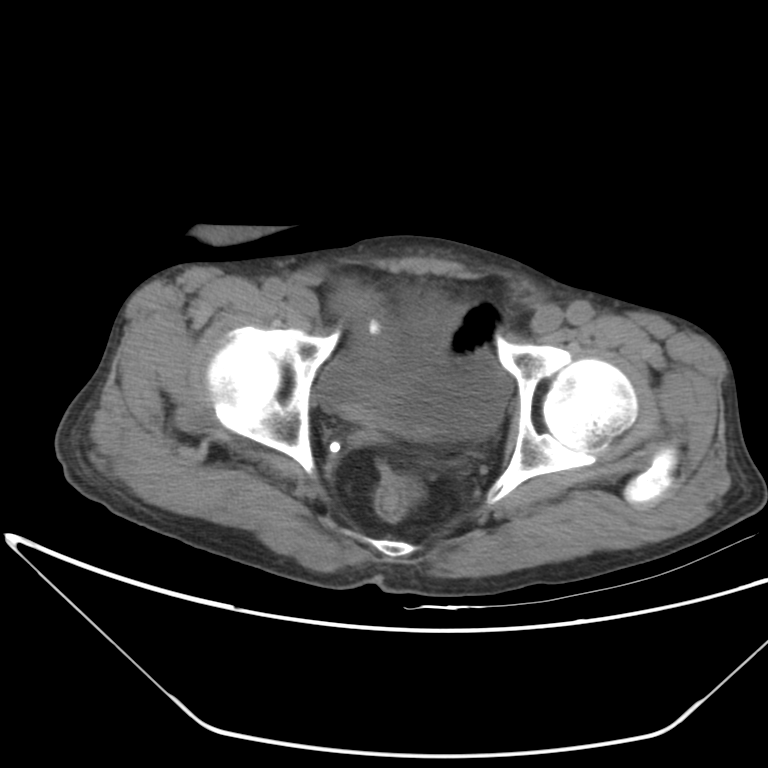
CT, abdomen/pelvis — Axial slice 16/82 — 66-year-old male patient
<organs><organ name="bladder" x1="318" y1="300" x2="510" y2="437"/></organs>